Abdominal CT; axial view
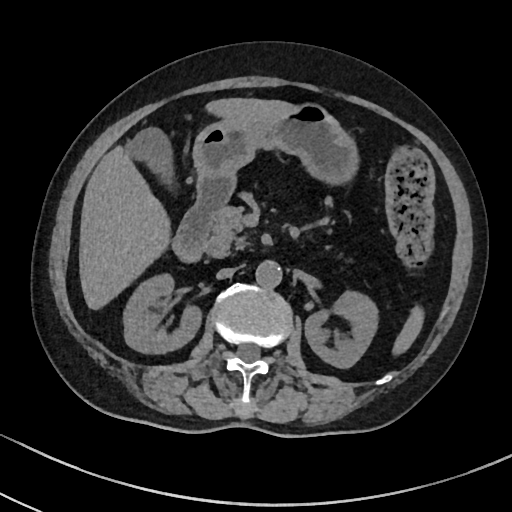 Box edges are left/top/right/bottom in pixels.
spleen: left=393, top=307, right=422, bottom=353
right kidney: left=122, top=274, right=200, bottom=352
left kidney: left=305, top=291, right=378, bottom=367
gall bladder: left=127, top=129, right=168, bottom=169
liver: left=78, top=98, right=287, bottom=308
stomach: left=194, top=101, right=356, bottom=180
aorta: left=256, top=259, right=282, bottom=287
inferior vena cava: left=217, top=268, right=235, bottom=278
pancreas: left=203, top=206, right=247, bottom=258
duodenum: left=173, top=175, right=235, bottom=264